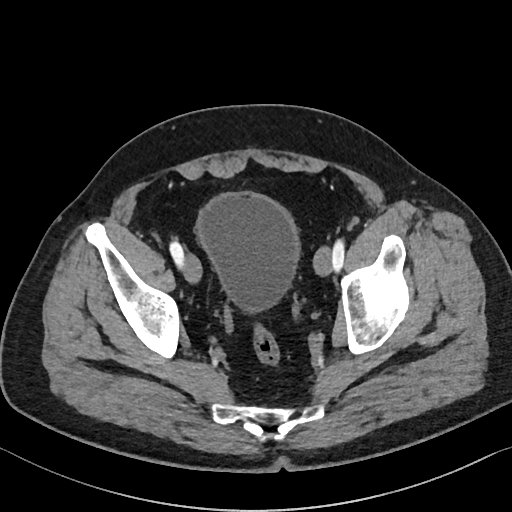 Computed tomography, abdomen. axial view. acquired on SOMATOM Force
Boxes are (x1, y1, x2, y2) in pixels. 1 labeled organ on this slice — bladder at (196, 192, 299, 312).